Abdominal CT. axial view. abdomen soft-tissue window. scan has 15 labeled organs (a whole-scan count: organs this slice does not pass through have no box)
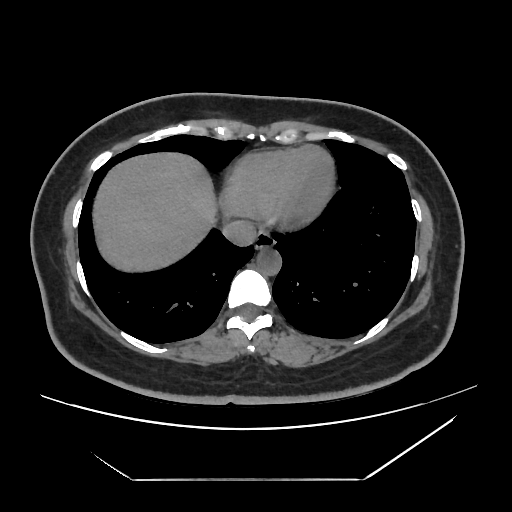
Bounding boxes as [x1, y1, x2, y2] in pixel coordinates.
Organ bounding boxes:
- liver: [93, 153, 216, 271]
- inferior vena cava: [222, 220, 256, 246]
- aorta: [256, 248, 281, 275]
- esophagus: [255, 231, 274, 249]